Chest-level CT slice, above the liver and spleen · axial view · W/L 400/40 HU · 68-year-old male patient · 15 organs annotated in this scan (a whole-scan count: organs this slice does not pass through have no box)
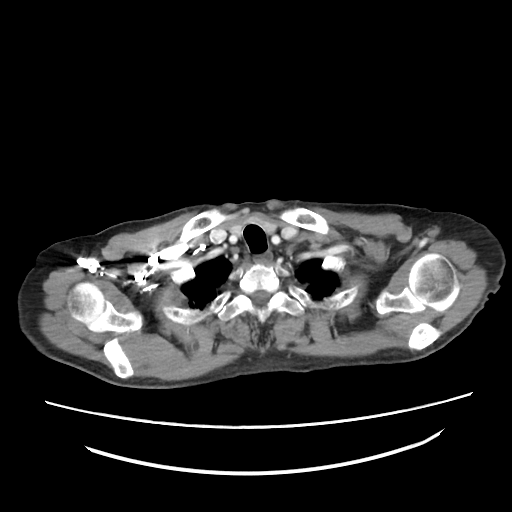

On a slice this high in the chest, this dataset labels only the esophagus and the aorta, and each is boxed only where it is labeled; the heart, lungs and other chest structures are not labeled. Boxes are (x1, y1, x2, y2) in pixels. 1 labeled organ on this slice — esophagus at (253, 252, 272, 264).